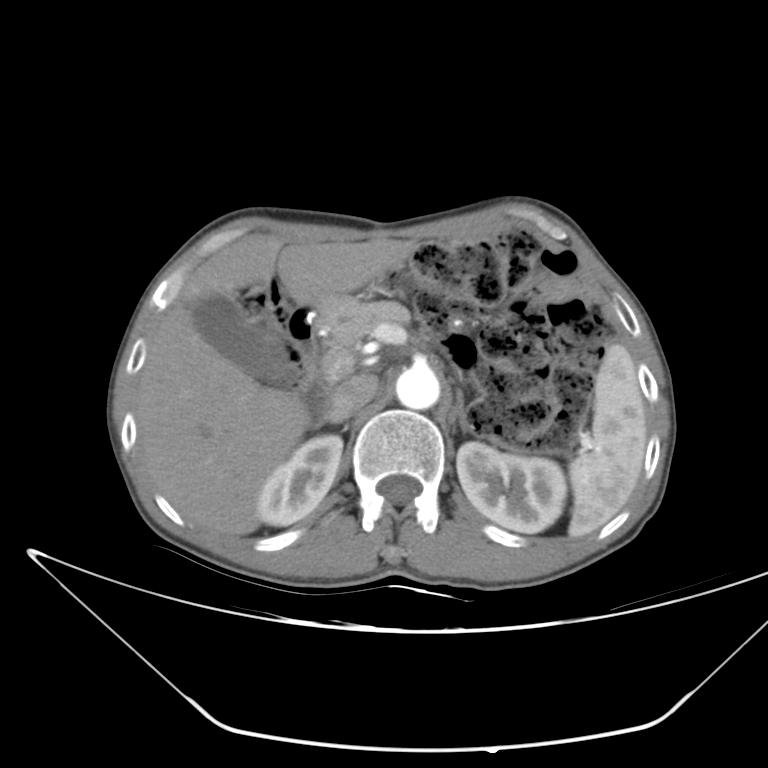 CT, abdomen/pelvis; axial view; 768x768 px; acquired on Brilliance16; scan has 13 labeled organs (counted over the whole 3D scan, not this slice; an organ is boxed only where this slice passes through it)
One row per box, in pixels: columns x1 and y1 give the top-left corner, x2 and y2 the bottom-right.
| organ | x1 | y1 | x2 | y2 |
|---|---|---|---|---|
| spleen | 568 | 344 | 647 | 537 |
| right kidney | 257 | 434 | 342 | 525 |
| left kidney | 457 | 442 | 566 | 533 |
| gall bladder | 191 | 294 | 298 | 386 |
| liver | 135 | 234 | 418 | 535 |
| aorta | 396 | 366 | 439 | 409 |
| inferior vena cava | 322 | 374 | 378 | 422 |
| pancreas | 317 | 297 | 409 | 350 |
| right adrenal gland | 312 | 419 | 325 | 428 |
| left adrenal gland | 445 | 392 | 469 | 432 |
| duodenum | 287 | 307 | 329 | 417 |